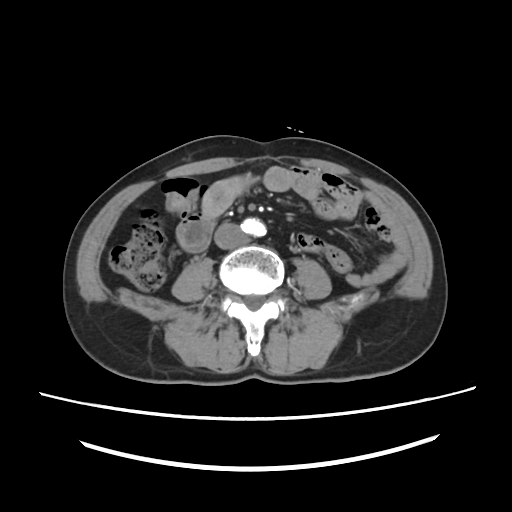
CT abdomen. axial plane, index 47. soft-tissue window (W 400 / L 40). 512x512 px. 15 organs annotated in this scan (a whole-scan count: organs this slice does not pass through have no box)
Coordinates as <box>x1,y1,x2,y2</box> in pixels.
Organ bounding boxes:
- aorta: <box>241,218,266,236</box>
- inferior vena cava: <box>214,223,246,249</box>